CT abdomen. axial view. soft-tissue window. acquired on SOMATOM Force. scan has 15 labeled organs (a whole-scan count: organs this slice does not pass through have no box)
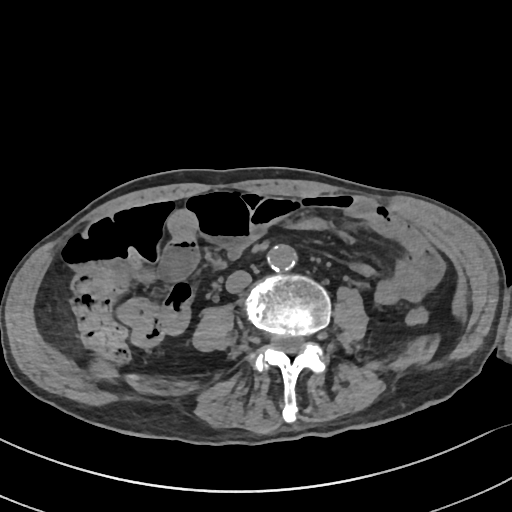

{"organs":{"inferior vena cava":[226,271,251,293],"aorta":[267,245,297,271]}}